Lower-chest slice from an abdominal CT, just above the liver and spleen · Axial slice 191/191 · SOMATOM Force scanner · 15 organs annotated in this scan (counted over the whole 3D scan, not this slice; an organ is boxed only where this slice passes through it)
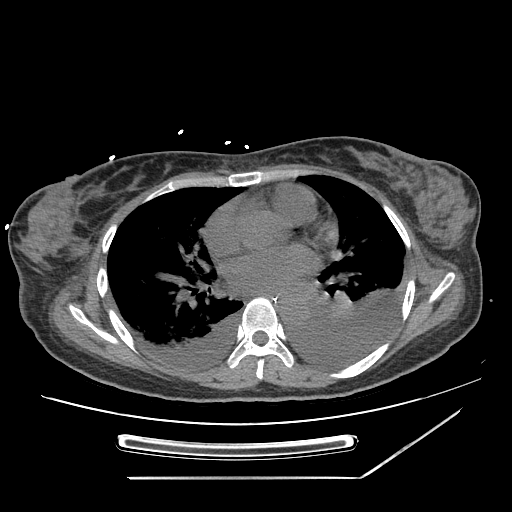

Of the structures in the chest, this dataset labels only the esophagus, the aorta and the inferior vena cava; the heart and lungs have no label.
Box edges are left/top/right/bottom in pixels.
esophagus: left=268, top=293, right=282, bottom=304
aorta: left=280, top=294, right=307, bottom=322